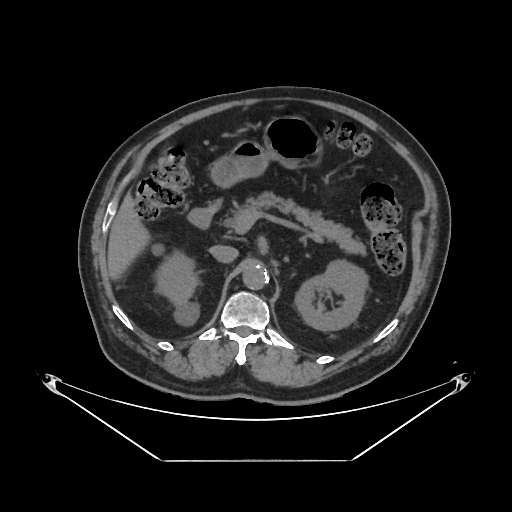
CT abdomen; axial plane, index 249; 512x512 px; SOMATOM Force scanner
Coordinates as <box>x1,y1,x2,y2</box> in pixels.
aorta: <box>242,264,268,290</box>
liver: <box>107,192,147,280</box>
duodenum: <box>187,198,222,229</box>
stomach: <box>210,116,320,189</box>
pancreas: <box>233,192,366,256</box>
right kidney: <box>156,251,198,326</box>
inferior vena cava: <box>209,245,238,263</box>
left kidney: <box>295,260,367,331</box>